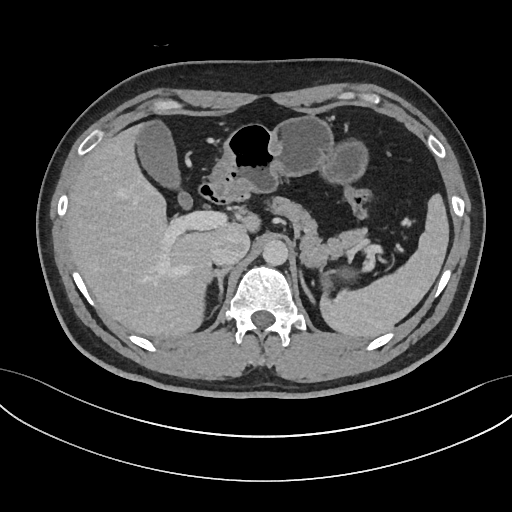 CT abdomen — axial plane, index 198 — W/L 400/40 HU — 512x512 px
Boxes: x1 y1 x2 y2 (pixel coords, space-separated).
left adrenal gland: 301 275 314 302
gall bladder: 136 121 193 207
aorta: 262 239 288 265
duodenum: 198 183 228 203
pancreas: 267 196 365 266
spleen: 319 193 448 337
liver: 65 123 259 337
right adrenal gland: 212 266 231 312
stomach: 210 115 368 294
inferior vena cava: 210 231 249 265